Computed tomography, abdomen · axial view · abdomen soft-tissue window
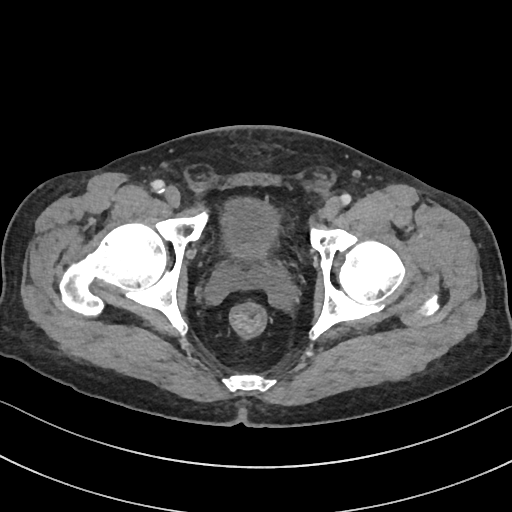
<organs><organ name="bladder" x1="221" y1="198" x2="278" y2="255"/><organ name="prostate/uterus" x1="220" y1="254" x2="269" y2="286"/></organs>